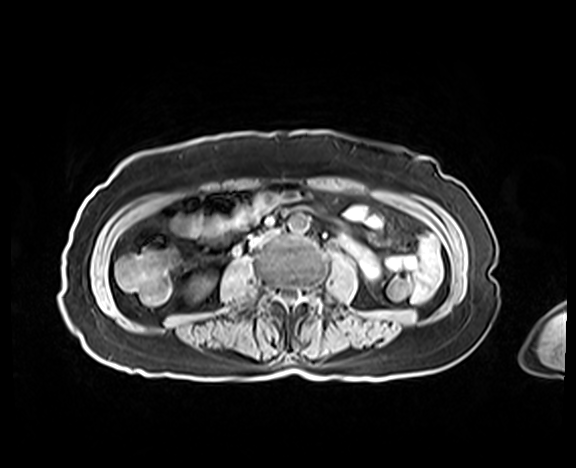
Magnetic resonance imaging, abdomen — Axial slice 6/72
Boxes are (x1, y1, x2, y2) in pixels. Labeled organs on this slice: right kidney at (192, 278, 210, 296), aorta at (288, 213, 309, 233), inferior vena cava at (251, 229, 277, 246).